Computed tomography, abdomen — Axial slice 188/231 — 512x512 px
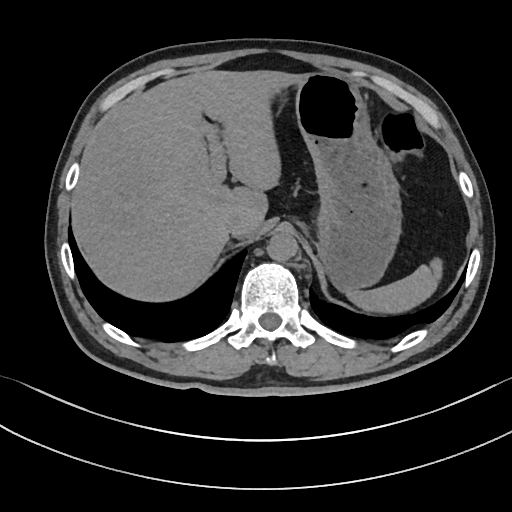 Bounding boxes in pixels, one row per box: x1, y1 is the top-left corner and x2, y2 the bottom-right.
| organ | x1 | y1 | x2 | y2 |
|---|---|---|---|---|
| spleen | 346 | 257 | 442 | 313 |
| liver | 71 | 70 | 305 | 301 |
| stomach | 294 | 72 | 402 | 290 |
| aorta | 267 | 231 | 298 | 261 |
| inferior vena cava | 223 | 211 | 245 | 236 |